CT abdomen; Axial slice 19/100; soft-tissue window; 512x512 px; 75-year-old female patient; 15 organs annotated in this scan (that count is for the whole scan; organs this slice misses have no box)
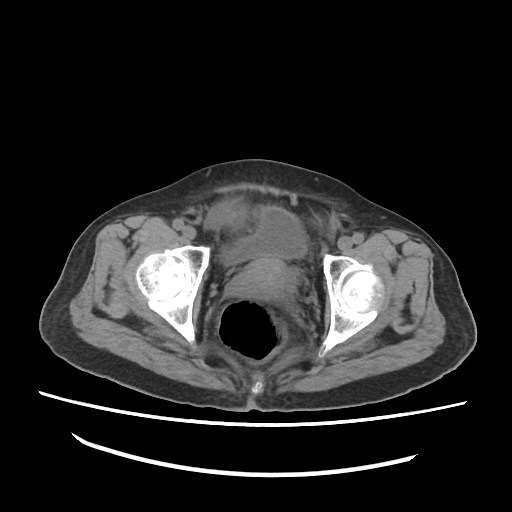
Boxes are (x1, y1, x2, y2) in pixels.
Organ bounding boxes:
- bladder: (220, 205, 306, 263)
- prostate/uterus: (224, 258, 294, 299)